CT, abdomen/pelvis — axial view — 768x768 px — 14 organs annotated in this scan (a whole-scan count: organs this slice does not pass through have no box)
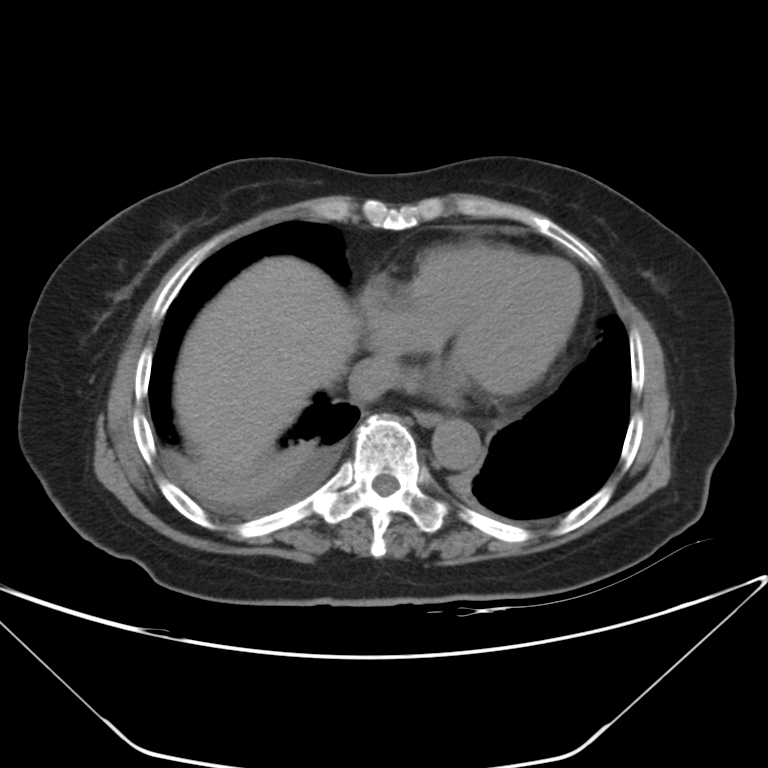

Boxes: x1:y1:x2:y2 in pixels.
Organ bounding boxes:
- esophagus: 414:410:442:425
- liver: 174:256:360:481
- aorta: 432:419:481:470
- inferior vena cava: 348:355:399:402